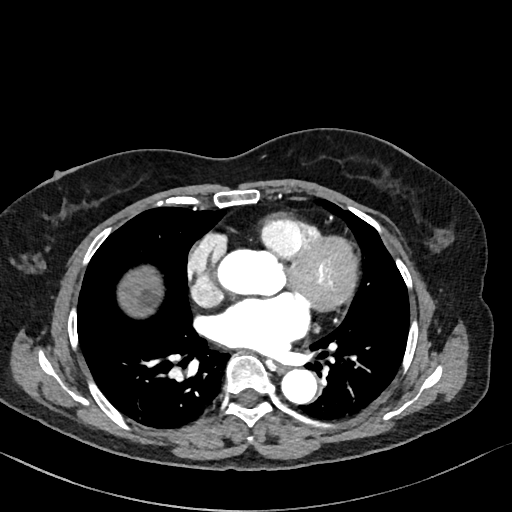
Abdominal CT · axial view
Each box given as x1,y1,x2,y2. Labeled organs on this slice: esophagus at x1=277, y1=365, x2=288, y2=374, liver at x1=120, y1=270, x2=159, y2=315, aorta at x1=280, y1=368, x2=317, y2=404.